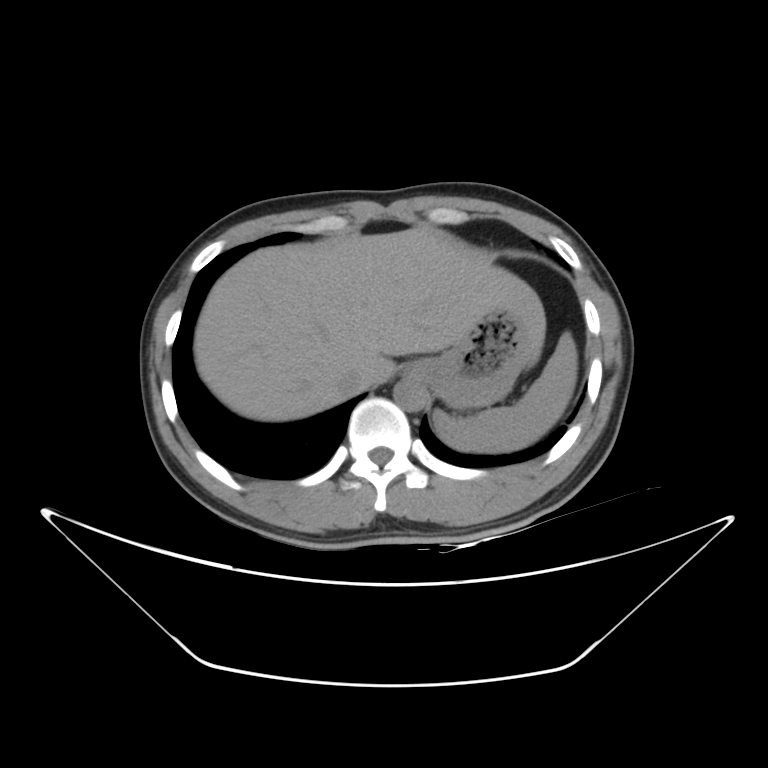

Abdominal CT · axial view · 768x768 px
<organs><organ name="spleen" x1="434" y1="331" x2="577" y2="453"/><organ name="liver" x1="194" y1="226" x2="545" y2="421"/><organ name="stomach" x1="407" y1="311" x2="533" y2="408"/><organ name="aorta" x1="394" y1="378" x2="425" y2="411"/><organ name="inferior vena cava" x1="335" y1="368" x2="364" y2="395"/></organs>